CT abdomen. axial plane, index 81. soft-tissue window (W 400 / L 40). 58-year-old female patient. scan has 15 labeled organs (a whole-scan count: organs this slice does not pass through have no box)
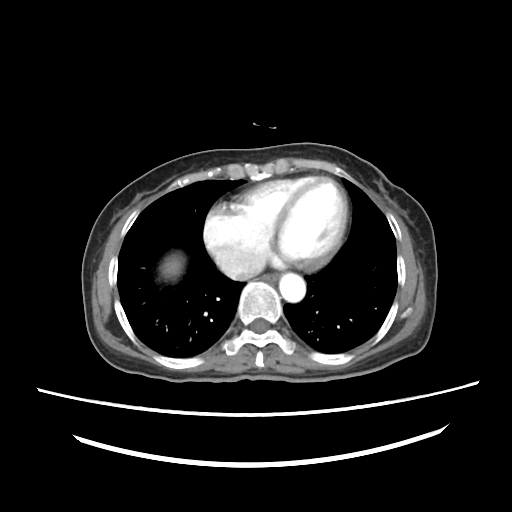
Boxes are (x1, y1, x2, y2) in pixels.
Organ bounding boxes:
- liver: (161, 255, 183, 277)
- inferior vena cava: (220, 257, 258, 279)
- esophagus: (264, 273, 277, 280)
- aorta: (280, 274, 304, 300)